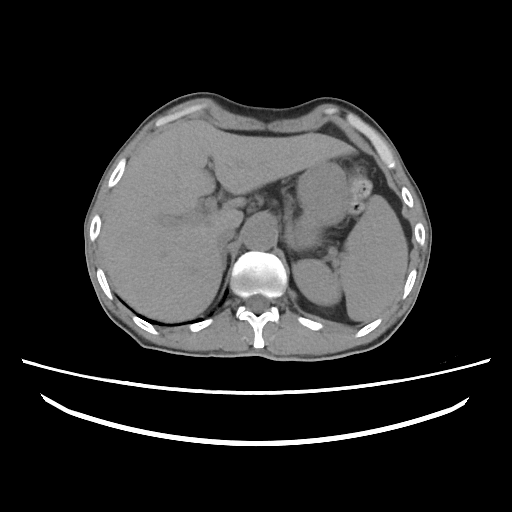

CT, abdomen/pelvis — axial view — acquired on Aquilion ONE — scan has 15 labeled organs (that count is for the whole scan; organs this slice misses have no box)
Boxes are (x1, y1, x2, y2) in pixels.
spleen: (293, 195, 409, 320)
liver: (98, 119, 355, 322)
stomach: (292, 162, 347, 250)
aorta: (243, 220, 277, 251)
inferior vena cava: (214, 228, 235, 249)
right adrenal gland: (222, 243, 229, 269)